Abdominal CT — axial view — 512x512 px
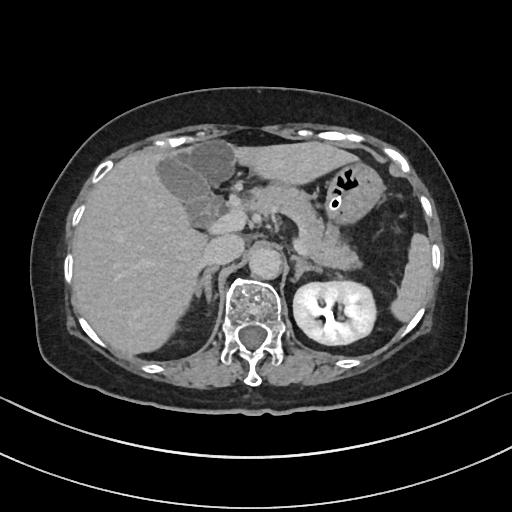
Boxes are (x1, y1, x2, y2) in pixels.
Organ bounding boxes:
- pancreas: (229, 183, 357, 268)
- duodenum: (200, 199, 217, 227)
- inferior vena cava: (202, 233, 243, 264)
- gall bladder: (154, 153, 226, 226)
- left adrenal gland: (290, 254, 321, 277)
- stomach: (326, 162, 383, 222)
- right adrenal gland: (193, 266, 217, 298)
- aorta: (248, 246, 280, 278)
- left kidney: (293, 279, 375, 345)
- spleen: (390, 235, 431, 320)
- liver: (73, 140, 355, 353)